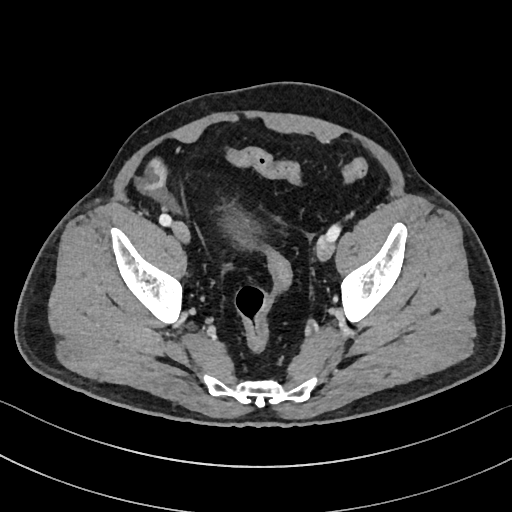
CT, abdomen/pelvis — axial view — W/L 400/40 HU — 512x512 px
One row per box, in pixels: columns x1 and y1 give the top-left corner, x2 and y2 the bottom-right.
| organ | x1 | y1 | x2 | y2 |
|---|---|---|---|---|
| bladder | 230 | 211 | 255 | 244 |